Chest-level slice from an abdominal CT that extends up into the chest · Axial slice 93/114 · soft-tissue window (W 400 / L 40) · 512x512 px · 43-year-old female patient
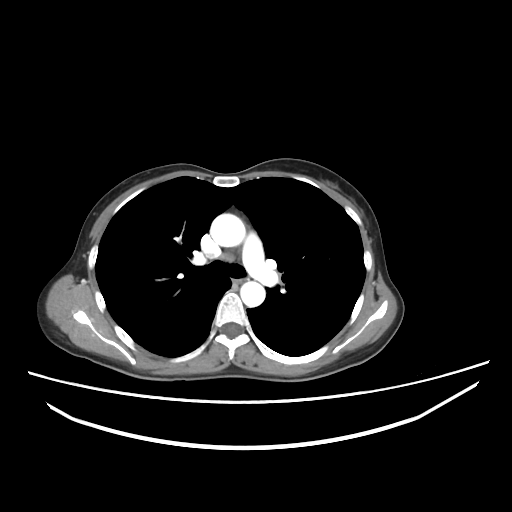

On a slice this high in the chest, this dataset labels only the esophagus and the aorta, and each is boxed only where it is labeled; the heart, lungs and other chest structures are not labeled.
One row per box, in pixels: columns x1 and y1 give the top-left corner, x2 and y2 the bottom-right.
| organ | x1 | y1 | x2 | y2 |
|---|---|---|---|---|
| esophagus | 232 | 279 | 242 | 284 |
| aorta | 210 | 213 | 245 | 247 |
| aorta | 240 | 281 | 265 | 307 |